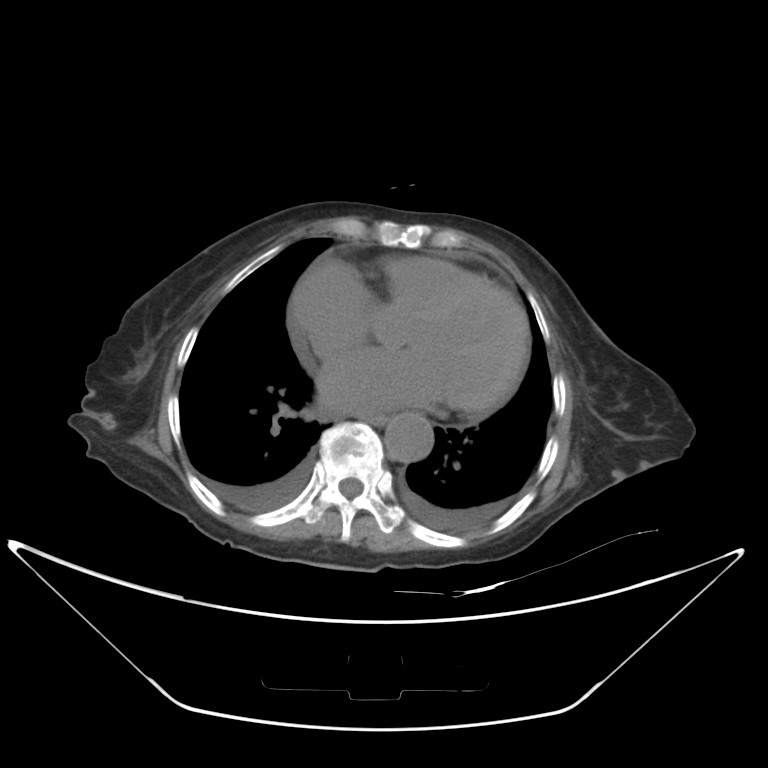
Lower-chest slice from an abdominal CT, just above the liver and spleen. axial view. soft-tissue window, W/L 400/40. 768x768 px. female patient aged 90 or older. scan has 15 labeled organs (a whole-scan count: organs this slice does not pass through have no box)
No part of the heart or lungs is labeled in this dataset, so neither has a box here.
Boxes: x1 y1 x2 y2 (pixel coords, space-separated).
Organ bounding boxes:
- esophagus: 361 413 386 424
- aorta: 384 412 433 463